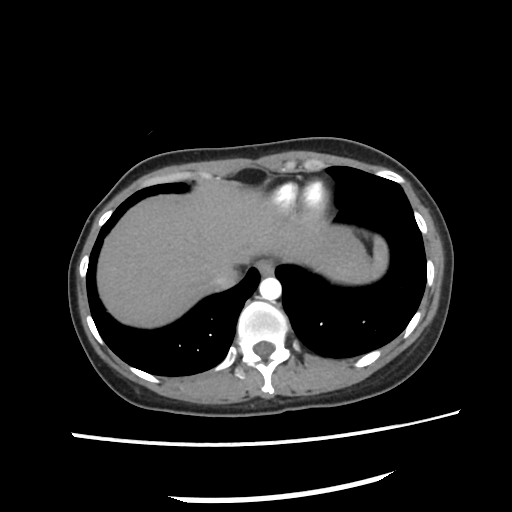
CT abdomen. Axial slice 80/124. 34-year-old female patient. scan has 15 labeled organs (a whole-scan count: organs this slice does not pass through have no box)
Bounding boxes in pixels, one row per box: x1, y1 is the top-left corner and x2, y2 the bottom-right.
| organ | x1 | y1 | x2 | y2 |
|---|---|---|---|---|
| spleen | 370 | 235 | 387 | 278 |
| esophagus | 258 | 258 | 276 | 274 |
| inferior vena cava | 210 | 278 | 236 | 289 |
| aorta | 260 | 278 | 280 | 300 |
| liver | 96 | 185 | 371 | 328 |